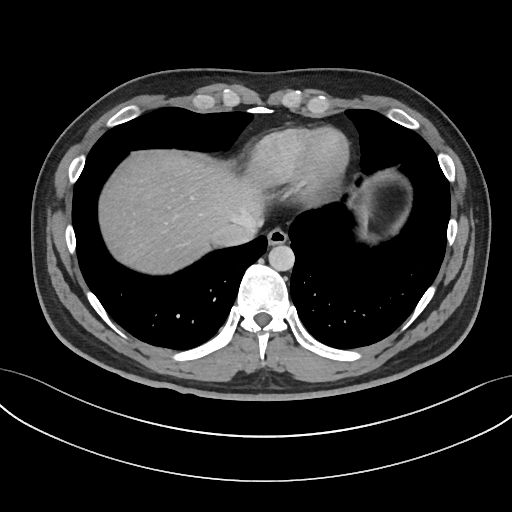 Computed tomography, abdomen; axial view; soft-tissue window
Bounding boxes as [x1, y1, x2, y2] in pixel coordinates.
inferior vena cava: [212, 224, 259, 244]
esophagus: [267, 227, 287, 245]
liver: [100, 148, 368, 272]
aorta: [268, 245, 295, 271]